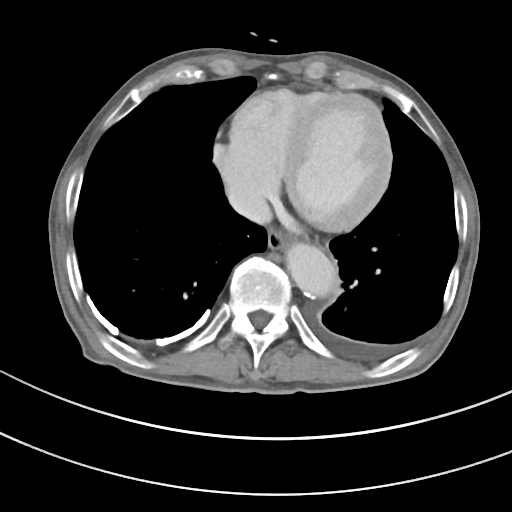

Abdominal CT; this slice is in the lower chest, just above the liver — axial view — soft-tissue window — 512x512 px
The heart and lungs are never labeled in this dataset, so they have no box on this slice.
Organ boxes in pixel coordinates; each row gives the top-left (x1, y1) and bottom-right (x2, y2) corners.
| organ | x1 | y1 | x2 | y2 |
|---|---|---|---|---|
| esophagus | 267 | 229 | 289 | 251 |
| aorta | 286 | 243 | 337 | 296 |
| inferior vena cava | 227 | 182 | 271 | 224 |